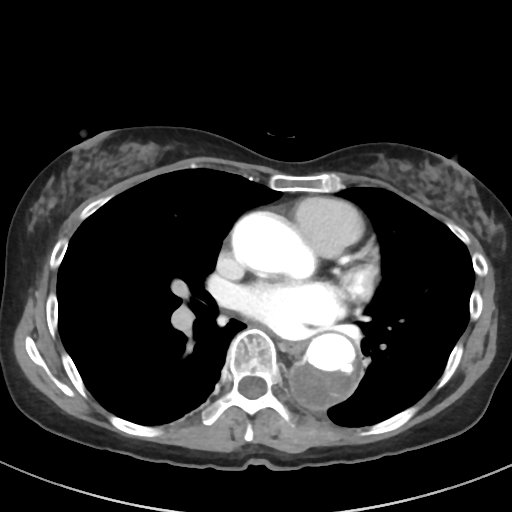
Chest-level slice from an abdominal CT that extends up into the chest · axial view · acquired on SOMATOM Force
At this level of the chest no structure but the esophagus and the aorta has a label in this dataset, and those two are boxed only where they are labeled.
One row per box, in pixels: columns x1 and y1 give the top-left corner, x2 and y2 the bottom-right.
| organ | x1 | y1 | x2 | y2 |
|---|---|---|---|---|
| esophagus | 284 | 342 | 303 | 354 |
| aorta | 290 | 333 | 363 | 411 |
| aorta | 232 | 212 | 300 | 275 |